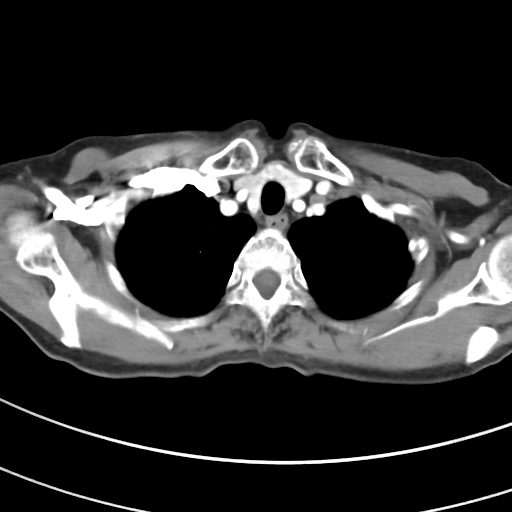

CT of the abdomen extending into the chest, slice through the chest. axial view
At this level of the chest this dataset labels only the esophagus and the aorta, and each is boxed only where it is labeled; the heart and lungs are never labeled.
Bounding boxes as [x1, y1, x2, y2] in pixel coordinates.
esophagus: [266, 214, 288, 229]